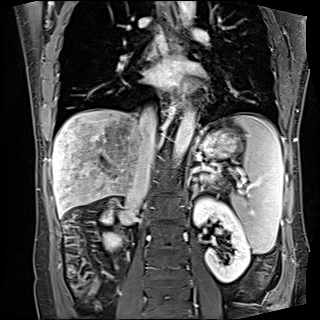 Magnetic resonance imaging, abdomen — coronal view
Each box given as x1,y1,x2,y2.
spleen: x1=231, y1=113, x2=283, y2=253
right kidney: x1=101, y1=213, x2=120, y2=250
left kidney: x1=194, y1=197, x2=250, y2=282
esophagus: x1=163, y1=3, x2=180, y2=57
esophagus: x1=176, y1=86, x2=185, y2=108
liver: x1=52, y1=109, x2=142, y2=216
stomach: x1=200, y1=129, x2=237, y2=157
aorta: x1=172, y1=108, x2=195, y2=167
aorta: x1=177, y1=1, x2=195, y2=24
inferior vena cava: x1=127, y1=107, x2=156, y2=208
left adrenal gland: x1=191, y1=183, x2=199, y2=199
duodenum: x1=112, y1=199, x2=119, y2=205